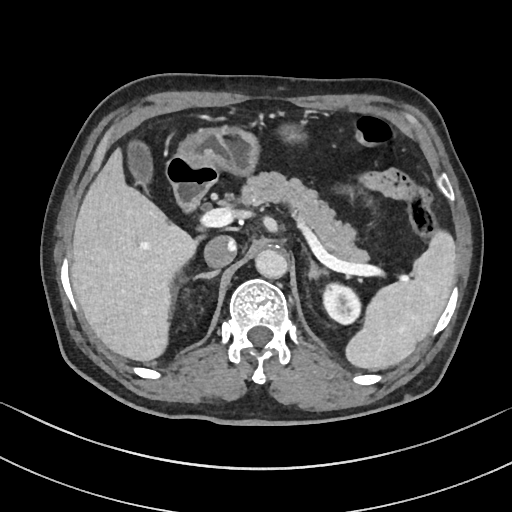

CT, abdomen/pelvis · axial view · soft-tissue window
One row per box, in pixels: columns x1 and y1 give the top-left corner, x2 and y2 the bottom-right.
| organ | x1 | y1 | x2 | y2 |
|---|---|---|---|---|
| spleen | 345 | 230 | 456 | 370 |
| left kidney | 323 | 283 | 360 | 324 |
| gall bladder | 127 | 140 | 153 | 192 |
| liver | 71 | 148 | 197 | 360 |
| stomach | 174 | 124 | 302 | 175 |
| aorta | 255 | 249 | 288 | 278 |
| inferior vena cava | 204 | 235 | 236 | 267 |
| pancreas | 239 | 171 | 369 | 263 |
| right adrenal gland | 193 | 270 | 219 | 279 |
| left adrenal gland | 308 | 258 | 327 | 278 |
| duodenum | 166 | 157 | 217 | 211 |